Computed tomography, abdomen · axial plane, index 85 · 512x512 px · 45-year-old male patient · scan has 15 labeled organs (that count is for the whole scan; organs this slice misses have no box)
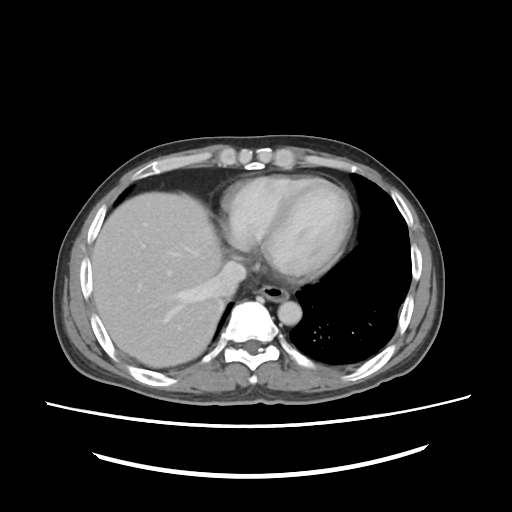 Box edges are left/top/right/bottom in pixels. The annotated organs in this slice are: esophagus at left=259, top=286, right=290, bottom=300, liver at left=92, top=192, right=223, bottom=365, aorta at left=278, top=301, right=302, bottom=325, inferior vena cava at left=211, top=261, right=246, bottom=296.